CT, abdomen/pelvis. axial view
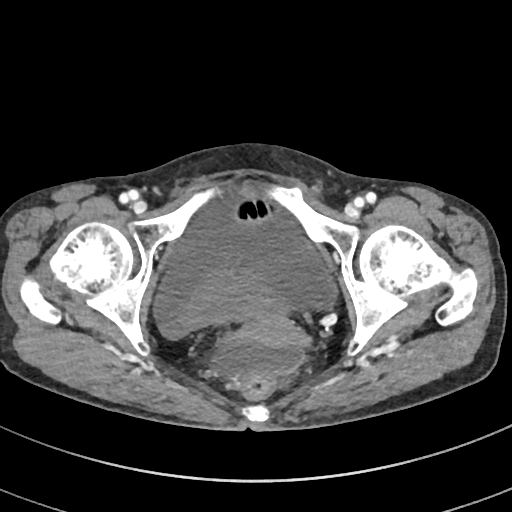 One row per box, in pixels: columns x1 and y1 give the top-left corner, x2 and y2 the bottom-right.
| organ | x1 | y1 | x2 | y2 |
|---|---|---|---|---|
| bladder | 157 | 265 | 289 | 337 |
| prostate/uterus | 242 | 311 | 300 | 347 |